Computed tomography, abdomen. axial plane, index 58. 62-year-old female patient. 15 organs annotated in this scan (that count is for the whole scan; organs this slice misses have no box)
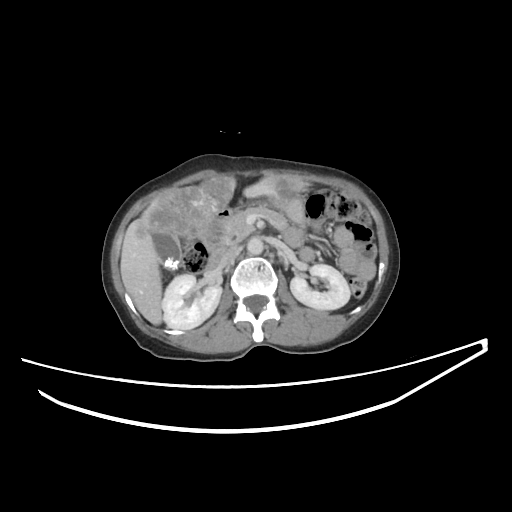
Bounding boxes as [x1, y1, x2, y2] in pixel coordinates.
Organ bounding boxes:
- right kidney: [162, 274, 222, 329]
- left kidney: [290, 264, 350, 309]
- gall bladder: [152, 232, 182, 271]
- liver: [120, 175, 302, 324]
- stomach: [282, 197, 306, 228]
- aorta: [247, 237, 263, 254]
- inferior vena cava: [219, 245, 239, 268]
- pancreas: [223, 204, 287, 245]
- duodenum: [203, 210, 230, 270]